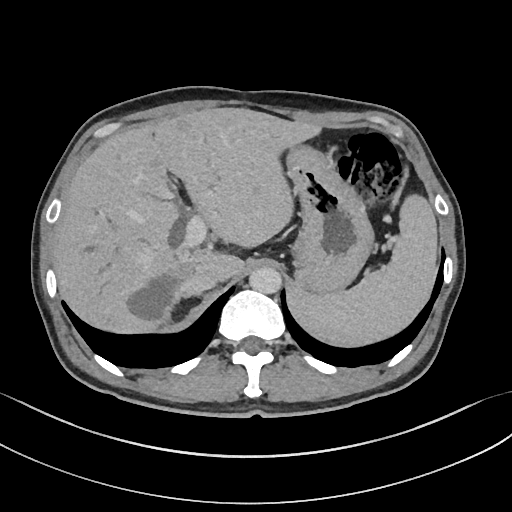 CT abdomen · axial plane, index 184 · 512x512 px · 14 organs annotated in this scan (that count is for the whole scan; organs this slice misses have no box)
<organs><organ name="liver" x1="54" y1="107" x2="320" y2="333"/><organ name="inferior vena cava" x1="183" y1="272" x2="221" y2="296"/><organ name="stomach" x1="287" y1="143" x2="373" y2="292"/><organ name="aorta" x1="249" y1="267" x2="281" y2="294"/><organ name="spleen" x1="288" y1="197" x2="438" y2="348"/></organs>